Computed tomography, abdomen; axial view
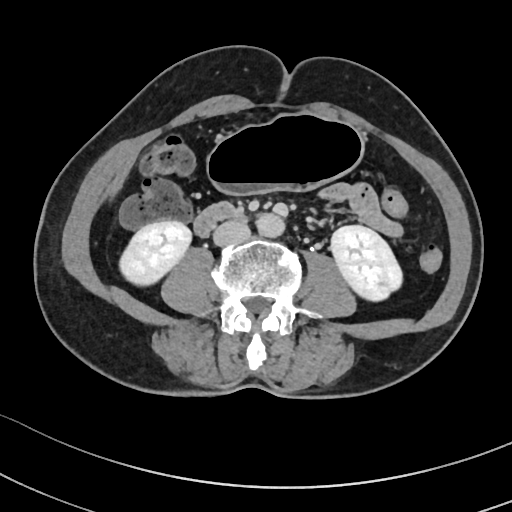 Boxes: x1:y1:x2:y2 in pixels.
duodenum: 193:202:243:236
aorta: 256:213:285:237
inferior vena cava: 213:221:250:246
left kidney: 331:225:402:301
stomach: 208:113:362:193
right kidney: 119:221:191:285